CT, abdomen/pelvis. axial view. 768x768 px
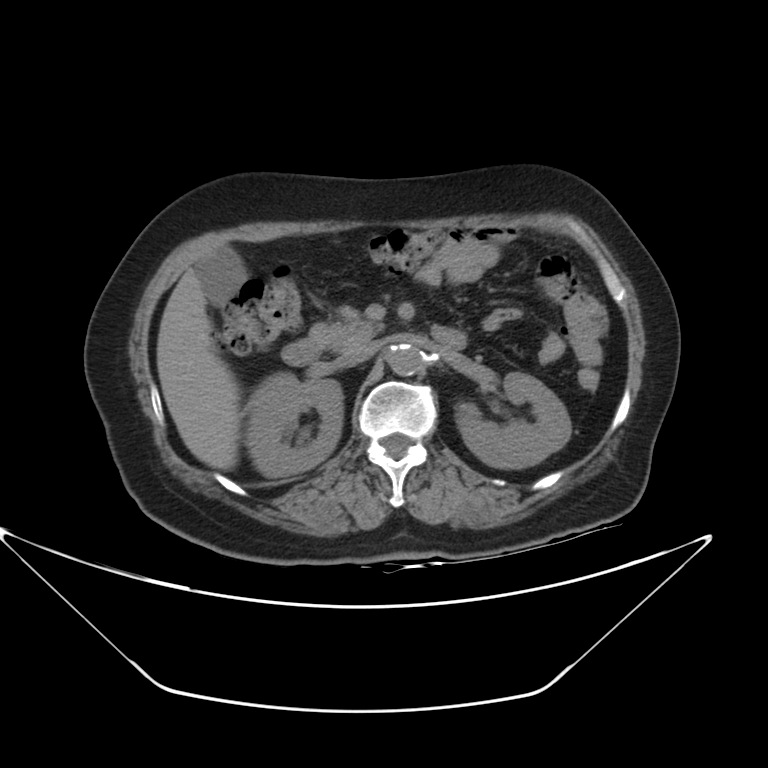 Coordinates as <box>x1,y1,x2,y2</box> in pixels. The annotated organs in this slice are: gall bladder at <box>194,245,246,305</box>, duodenum at <box>282,338,322,365</box>, inferior vena cava at <box>338,342,378,365</box>, left kidney at <box>457,372,570,468</box>, aorta at <box>388,344,422,375</box>, pancreas at <box>310,307,380,351</box>, liver at <box>156,267,240,469</box>, right kidney at <box>245,372,343,477</box>.